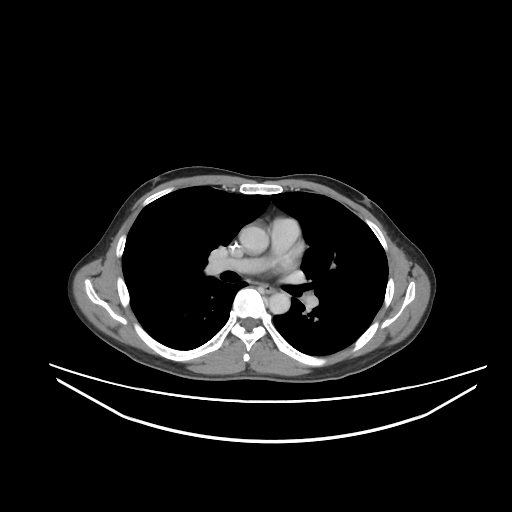 Chest-level slice from an abdominal CT that extends up into the chest · Axial slice 106/132 · soft-tissue window, W/L 400/40 · 512x512 px · 47-year-old male patient · 15 organs annotated in this scan (that count is for the whole scan; organs this slice misses have no box)
At this level of the chest no structure but the esophagus and the aorta has a label in this dataset, and those two are boxed only where they are labeled.
Boxes: x1:y1:x2:y2 in pixels.
Organ bounding boxes:
- esophagus: 261:284:275:293
- aorta: 239:225:268:253
- aorta: 269:292:290:314